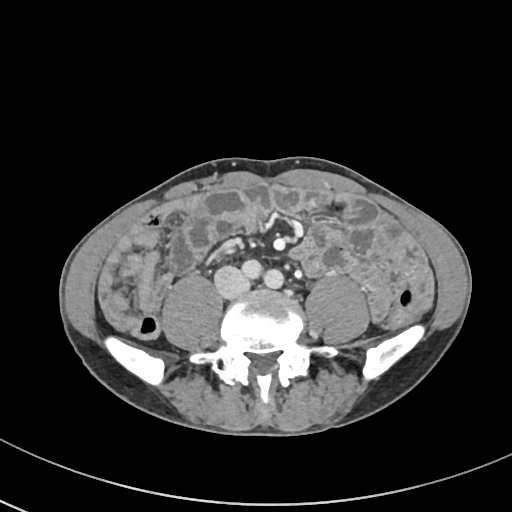
Computed tomography, abdomen. Axial slice 106/306. W/L 400/40 HU. SOMATOM Force scanner
Boxes: x1:y1:x2:y2 in pixels.
inferior vena cava: 214:266:249:297